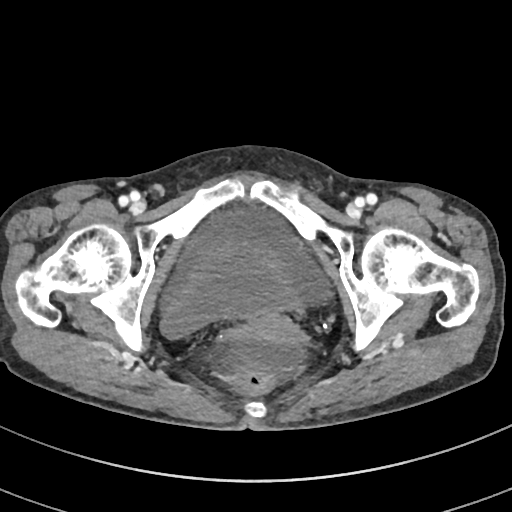

Computed tomography, abdomen — axial view — 512x512 px — acquired on SOMATOM Force
One row per box, in pixels: columns x1 and y1 give the top-left corner, x2 and y2 the bottom-right.
| organ | x1 | y1 | x2 | y2 |
|---|---|---|---|---|
| bladder | 161 | 239 | 306 | 337 |
| prostate/uterus | 242 | 312 | 300 | 347 |